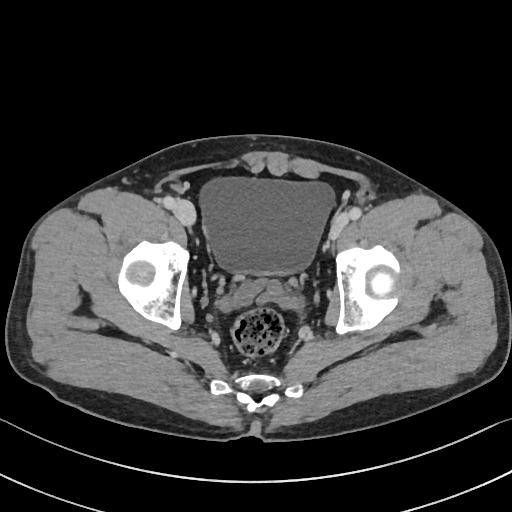
CT, abdomen/pelvis · Axial slice 32/291 · W/L 400/40 HU
Bounding boxes in pixels, one row per box: x1, y1 is the top-left corner and x2, y2 the bottom-right.
| organ | x1 | y1 | x2 | y2 |
|---|---|---|---|---|
| bladder | 200 | 178 | 334 | 274 |